CT abdomen; axial view; acquired on Aquilion ONE; scan has 15 labeled organs (that count is for the whole scan; organs this slice misses have no box)
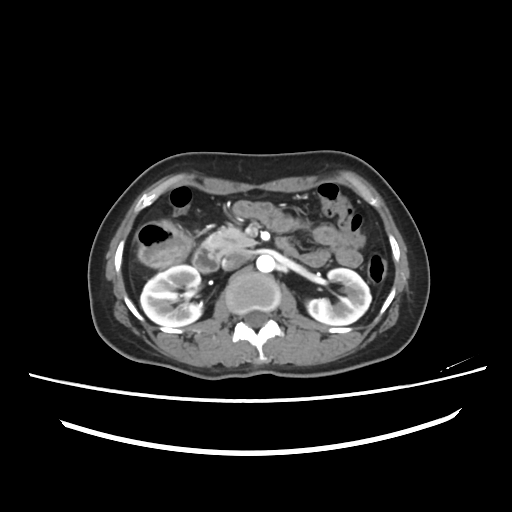
Boxes: x1 y1 x2 y2 (pixel coords, space-separated).
Organ bounding boxes:
- right kidney: 140 265 201 327
- left kidney: 306 268 371 325
- aorta: 256 254 275 272
- inferior vena cava: 222 250 250 270
- pancreas: 203 226 256 255
- duodenum: 192 240 297 272